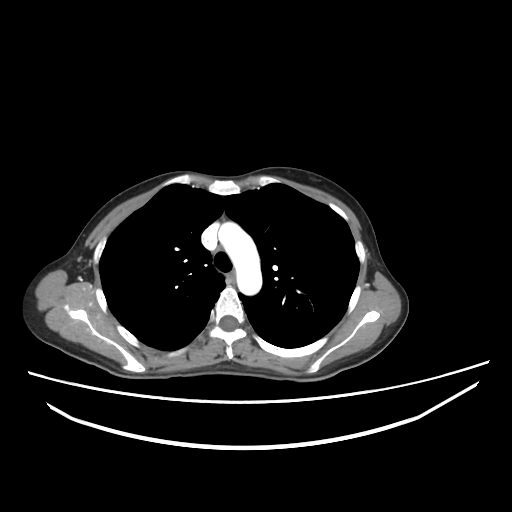

Chest-level CT slice, above the liver and spleen; axial plane, index 97; 512x512 px; 43-year-old female patient; 15 organs annotated in this scan (a whole-scan count: organs this slice does not pass through have no box)
At this level of the chest this dataset labels only the esophagus and the aorta, and each is boxed only where it is labeled; the heart and lungs are never labeled.
<organs><organ name="esophagus" x1="230" y1="270" x2="235" y2="284"/><organ name="aorta" x1="218" y1="222" x2="262" y2="295"/></organs>